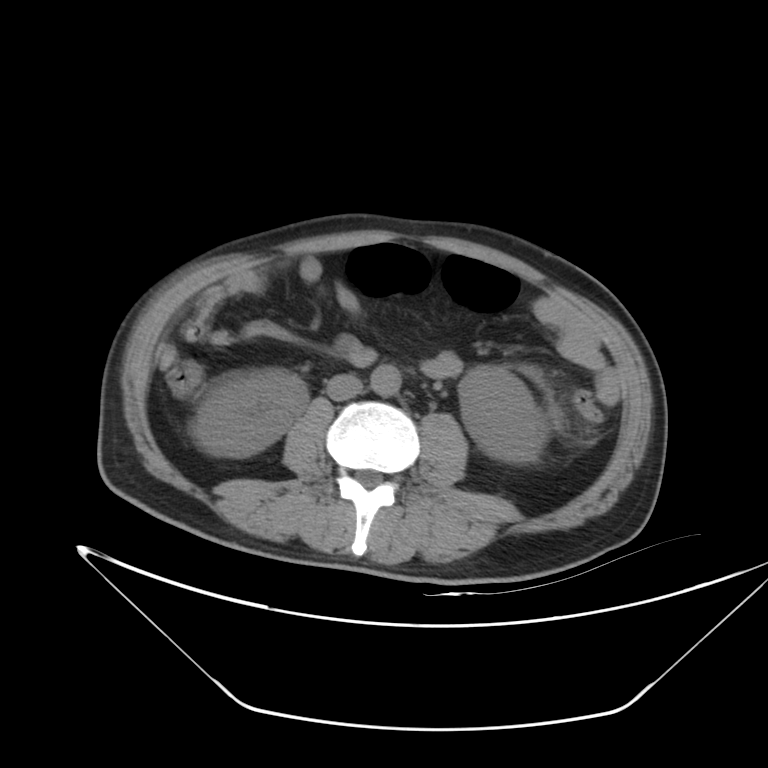
Abdominal CT; axial plane, index 56; soft-tissue window (W 400 / L 40); 768x768 px; scan has 15 labeled organs (that count is for the whole scan; organs this slice misses have no box)
Bounding boxes in pixels, one row per box: x1, y1 is the top-left corner and x2, y2 the bottom-right.
| organ | x1 | y1 | x2 | y2 |
|---|---|---|---|---|
| right kidney | 190 | 367 | 307 | 456 |
| left kidney | 458 | 366 | 545 | 463 |
| aorta | 370 | 363 | 401 | 396 |
| inferior vena cava | 327 | 374 | 362 | 400 |